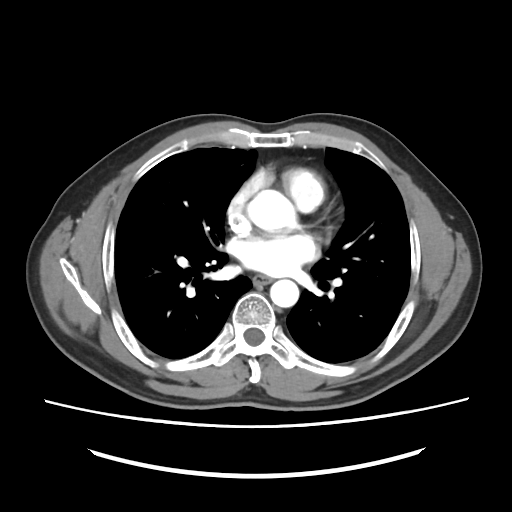

Abdominal CT; this slice is in the lower chest, just above the liver · axial plane, index 104 · 512x512 px · 46-year-old male patient
Of the structures in the chest, this dataset labels only the esophagus, the aorta and the inferior vena cava; the heart and lungs have no label.
Bounding boxes in pixels, one row per box: x1, y1 is the top-left corner and x2, y2 the bottom-right.
| organ | x1 | y1 | x2 | y2 |
|---|---|---|---|---|
| esophagus | 253 | 275 | 271 | 284 |
| aorta | 244 | 188 | 295 | 232 |
| aorta | 270 | 279 | 299 | 307 |